Abdominal CT. axial plane, index 158. 512x512 px
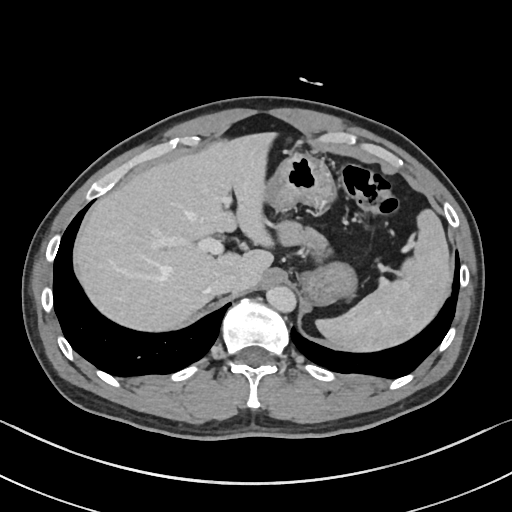

Each box given as x1,y1,x2,y2.
Organ bounding boxes:
- pancreas: x1=278, y1=223, x2=326, y2=252
- stomach: x1=263, y1=154, x2=354, y2=306
- spleen: x1=317, y1=209, x2=451, y2=350
- aorta: x1=266, y1=287, x2=296, y2=313
- liver: x1=75, y1=133, x2=276, y2=329
- inferior vena cava: x1=208, y1=272, x2=237, y2=295